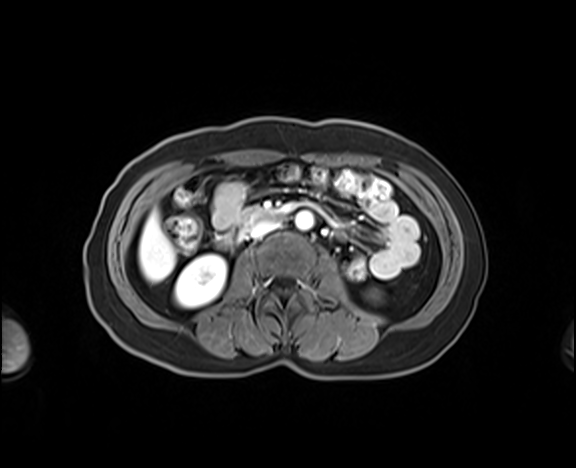 Abdominal MR · axial view · 576x468 px · Prisma scanner
Each box given as x1,y1,x2,y2.
Organ bounding boxes:
- right kidney: x1=175, y1=254, x2=226, y2=307
- left kidney: x1=369, y1=288, x2=383, y2=300
- liver: x1=139, y1=210, x2=175, y2=281
- aorta: x1=295, y1=211, x2=313, y2=230
- inferior vena cava: x1=249, y1=221, x2=279, y2=238
- duodenum: x1=228, y1=207, x2=285, y2=243